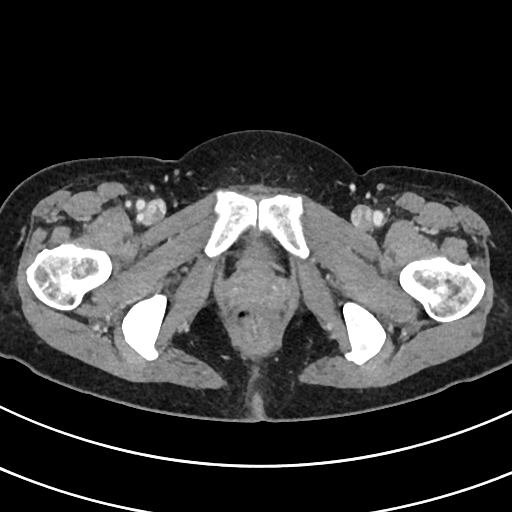
CT abdomen. axial view. 512x512 px
Boxes are (x1, y1, x2, y2) in pixels.
Organ bounding boxes:
- bladder: (236, 240, 274, 271)